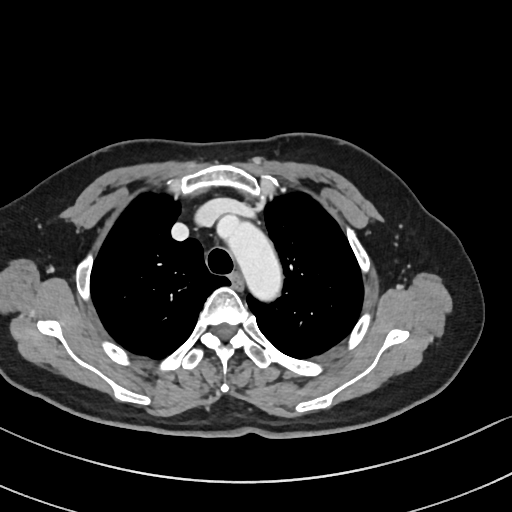
Chest-level CT slice, above the liver and spleen — axial view
On a slice this high in the chest, this dataset labels only the esophagus and the aorta, and each is boxed only where it is labeled; the heart, lungs and other chest structures are not labeled.
Box edges are left/top/right/bottom in pixels.
Organ bounding boxes:
- esophagus: left=231, top=274, right=241, bottom=287
- aorta: left=226, top=221, right=282, bottom=300